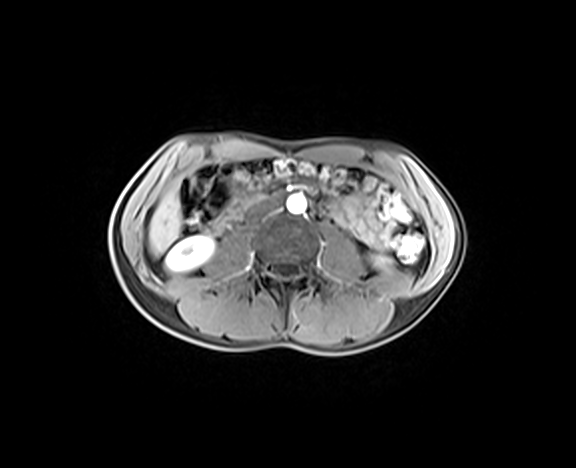
Abdominal MRI · axial view · 1st–99th percentile window · acquired on Prisma · 13 organs annotated in this scan (that count is for the whole scan; organs this slice misses have no box)
Boxes: x1:y1:x2:y2 in pixels.
Organ bounding boxes:
- right kidney: 166:236:213:271
- inferior vena cava: 248:199:280:218
- aorta: 287:194:306:213
- left kidney: 371:257:392:270
- liver: 149:190:181:255